Abdominal CT — axial view — abdomen soft-tissue window — 512x512 px — acquired on SOMATOM Force
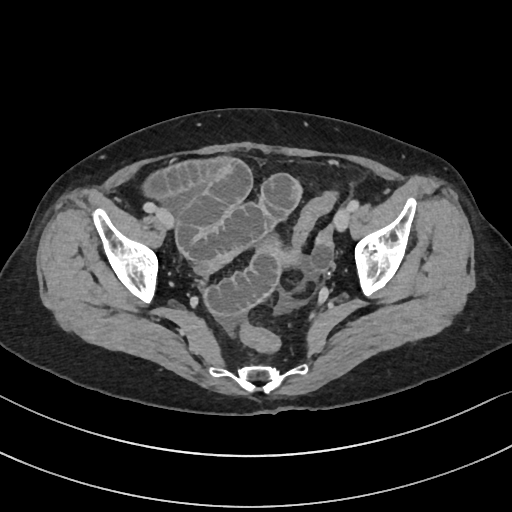
Boxes are (x1, y1, x2, y2) in pixels. The annotated organs in this slice are: prostate/uterus at (261, 237, 300, 264).